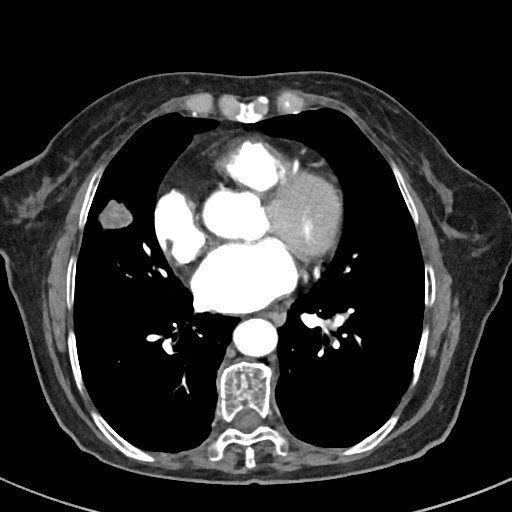

Lower-chest slice from an abdominal CT, just above the liver and spleen · axial view · W/L 400/40 HU · SOMATOM Force scanner · 15 organs annotated in this scan (counted over the whole 3D scan, not this slice; an organ is boxed only where this slice passes through it)
The heart and lungs are never labeled in this dataset, so they have no box on this slice.
Bounding boxes in pixels, one row per box: x1, y1 is the top-left corner and x2, y2 the bottom-right.
| organ | x1 | y1 | x2 | y2 |
|---|---|---|---|---|
| aorta | 232 | 318 | 276 | 356 |
| esophagus | 263 | 312 | 285 | 324 |